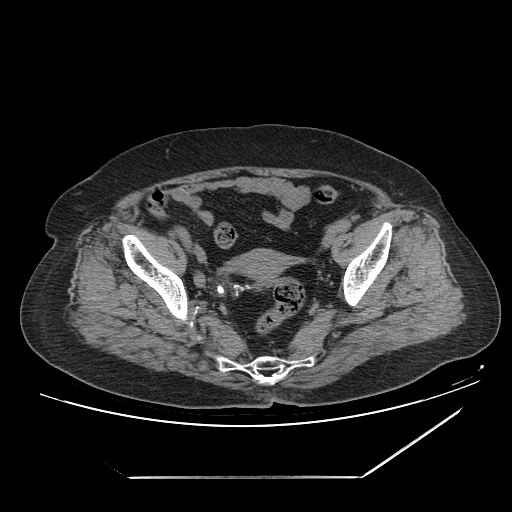

Computed tomography, abdomen. axial view. 512x512 px
Bounding boxes as [x1, y1, x2, y2] in pixel coordinates.
prostate/uterus: [233, 250, 289, 284]